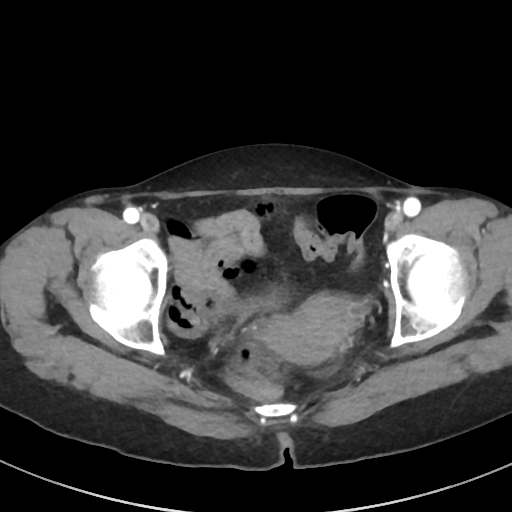 CT, abdomen/pelvis — axial view — soft-tissue window — 512x512 px
One row per box, in pixels: columns x1 and y1 give the top-left corner, x2 and y2 the bottom-right.
| organ | x1 | y1 | x2 | y2 |
|---|---|---|---|---|
| prostate/uterus | 264 | 294 | 349 | 363 |
| bladder | 203 | 296 | 276 | 316 |